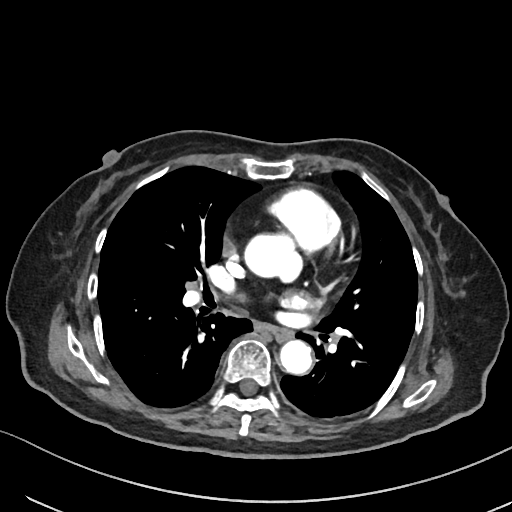 CT of the abdomen reaching into the lower chest, slice just above the liver and spleen · axial view · SOMATOM Force scanner
No part of the heart or lungs is labeled in this dataset, so neither has a box here. Box edges are left/top/right/bottom in pixels. Labeled organs on this slice: esophagus at left=269, top=326, right=292, bottom=341, aorta at left=245, top=234, right=296, bottom=277, aorta at left=279, top=340, right=311, bottom=374.